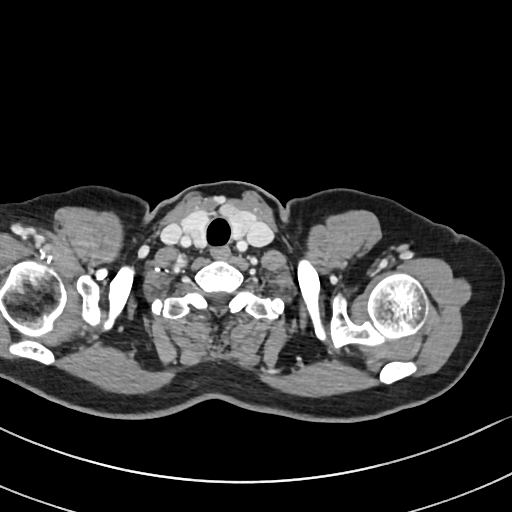

Abdominal CT reaching into the chest; this slice is in the chest. axial plane, index 312. soft-tissue window, W/L 400/40
On a slice this high in the chest, this dataset labels only the esophagus and the aorta, and each is boxed only where it is labeled; the heart, lungs and other chest structures are not labeled.
Boxes: x1:y1:x2:y2 in pixels.
esophagus: 211:245:230:258